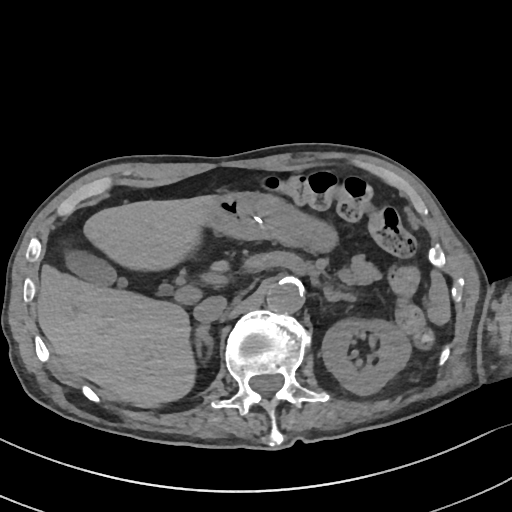 Computed tomography, abdomen · axial view · 15 organs annotated in this scan (a whole-scan count: organs this slice does not pass through have no box)
Bounding boxes in pixels, one row per box: x1, y1 is the top-left corner and x2, y2 the bottom-right.
| organ | x1 | y1 | x2 | y2 |
|---|---|---|---|---|
| spleen | 428 | 271 | 451 | 323 |
| left kidney | 322 | 316 | 411 | 394 |
| gall bladder | 66 | 248 | 115 | 284 |
| liver | 36 | 194 | 228 | 403 |
| stomach | 211 | 192 | 339 | 252 |
| aorta | 266 | 278 | 304 | 314 |
| inferior vena cava | 193 | 296 | 225 | 322 |
| pancreas | 351 | 255 | 379 | 284 |
| right adrenal gland | 196 | 323 | 213 | 358 |
| left adrenal gland | 323 | 285 | 352 | 302 |